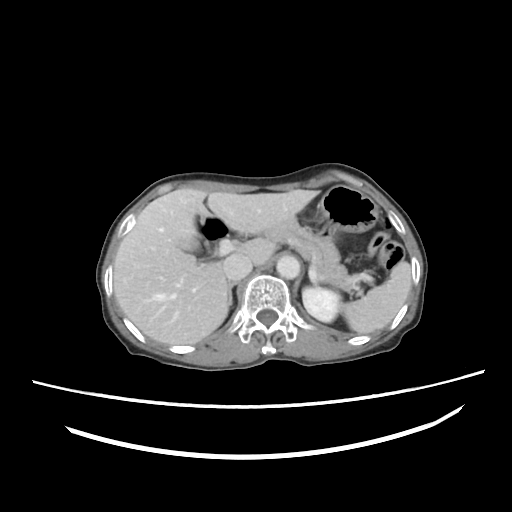

CT, abdomen/pelvis — axial plane, index 64 — W/L 400/40 HU — 68-year-old female patient
Coordinates as <box>x1,y1,x2,y2</box> in pixels.
Organ bounding boxes:
- spleen: <box>340,260,411,333</box>
- left kidney: <box>303,286,340,322</box>
- liver: <box>115,188,319,345</box>
- stomach: <box>295,184,376,249</box>
- aorta: <box>276,255,300,277</box>
- inferior vena cava: <box>224,254,252,279</box>
- pancreas: <box>263,216,359,293</box>
- right adrenal gland: <box>228,280,238,306</box>